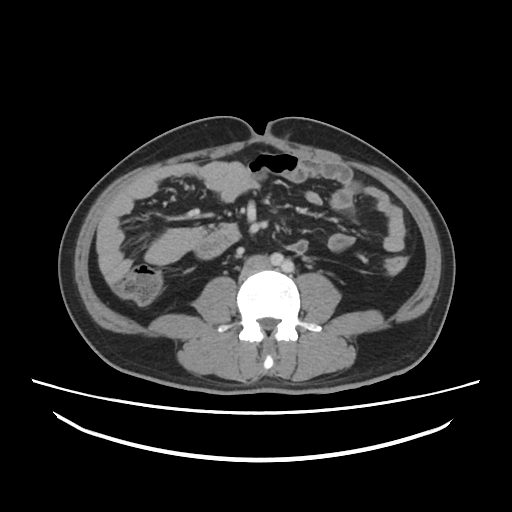

CT, abdomen/pelvis; axial view; abdomen soft-tissue window; 31-year-old male patient; acquired on Aquilion ONE
Coordinates as <box>x1,y1,x2,y2</box> in pixels.
Organ bounding boxes:
- inferior vena cava: <box>242,255,269,275</box>